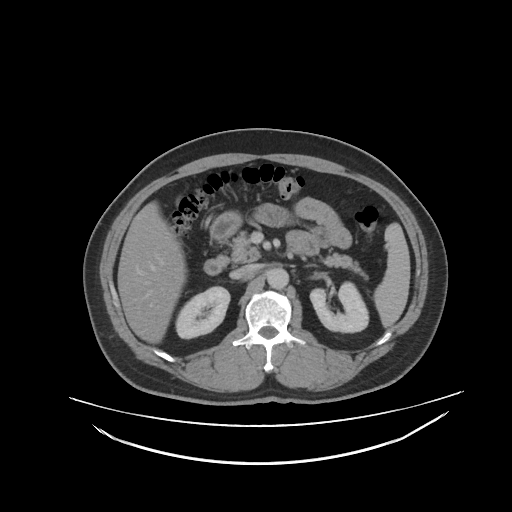 Abdominal CT · axial view · W/L 400/40 HU
Bounding boxes as [x1, y1, x2, y2] in pixel coordinates.
spleen: [373, 222, 410, 328]
right kidney: [175, 287, 229, 338]
left kidney: [309, 281, 368, 332]
liver: [117, 200, 187, 352]
stomach: [211, 210, 242, 239]
aorta: [267, 268, 288, 288]
inferior vena cava: [238, 265, 255, 277]
pancreas: [231, 232, 368, 278]
left adrenal gland: [304, 264, 318, 267]
duodenum: [203, 254, 229, 273]